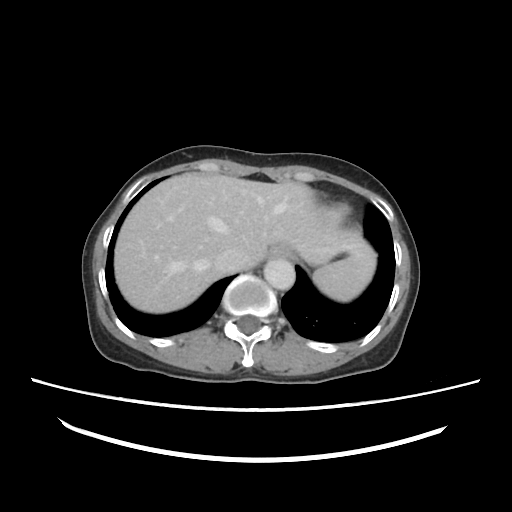

CT, abdomen/pelvis · axial view · 512x512 px
<organs><organ name="aorta" x1="264" y1="259" x2="294" y2="289"/><organ name="liver" x1="115" y1="173" x2="376" y2="314"/><organ name="spleen" x1="312" y1="257" x2="367" y2="302"/><organ name="inferior vena cava" x1="213" y1="252" x2="243" y2="275"/><organ name="stomach" x1="267" y1="245" x2="298" y2="259"/></organs>